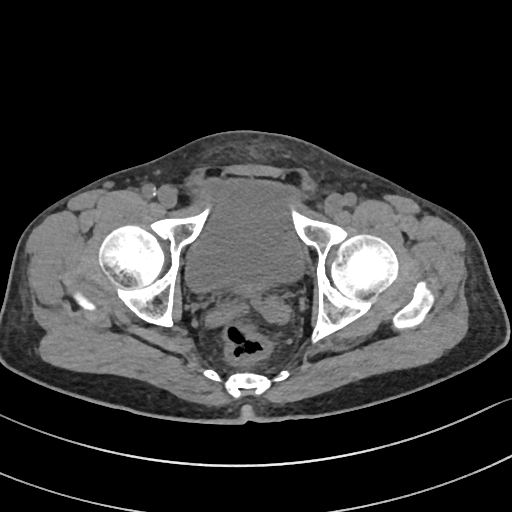 CT, abdomen/pelvis. axial view
Bounding boxes as [x1, y1, x2, y2] in pixel coordinates.
bladder: [185, 180, 301, 290]